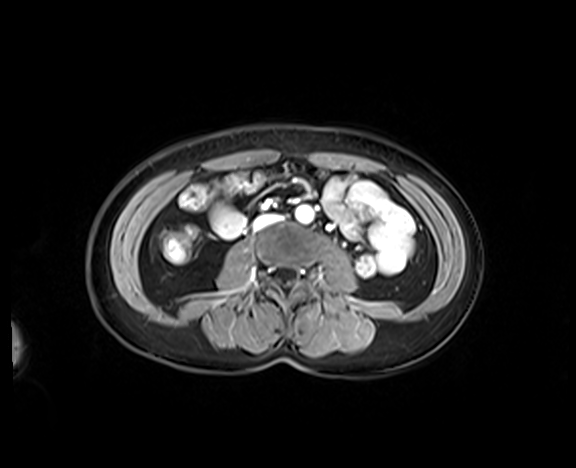
Abdominal MR. Axial slice 8/72. percentile-normalized
Boxes are (x1, y1, x2, y2) in pixels. 2 labeled organs on this slice — aorta at (295, 205, 313, 222); inferior vena cava at (253, 215, 280, 230).